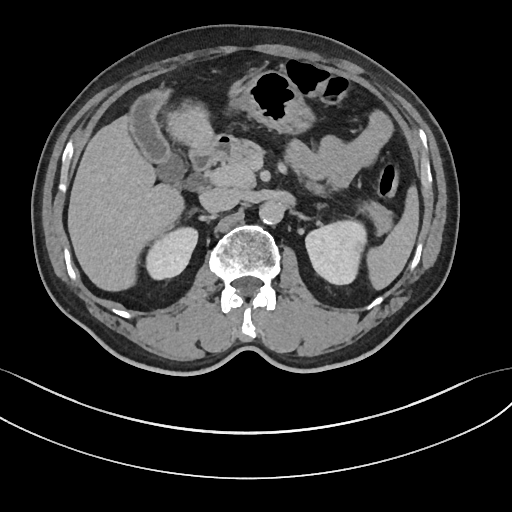
Abdominal CT · Axial slice 156/224
Bounding boxes as [x1, y1, x2, y2] in pixel coordinates.
Organ bounding boxes:
- spleen: [366, 186, 418, 289]
- right kidney: [146, 227, 197, 279]
- left kidney: [305, 219, 366, 284]
- gall bladder: [131, 90, 185, 184]
- liver: [67, 83, 243, 291]
- stomach: [231, 70, 314, 133]
- aorta: [259, 201, 283, 225]
- inferior vena cava: [200, 187, 240, 212]
- pancreas: [223, 140, 392, 234]
- duodenum: [190, 134, 233, 173]